CT abdomen; axial view; 54-year-old male patient
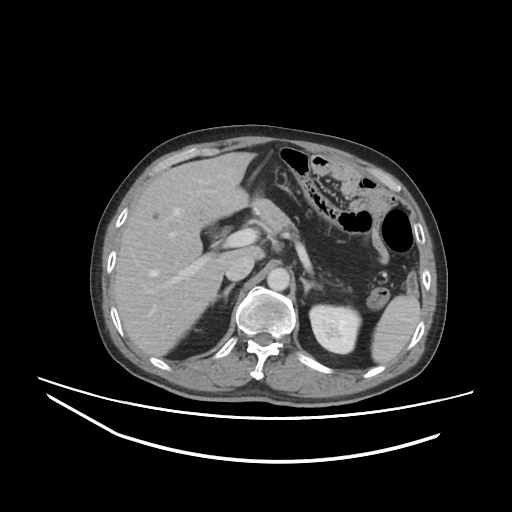

Boxes are (x1, y1, x2, y2) in pixels.
inferior vena cava: (225, 254, 254, 280)
aorta: (267, 268, 289, 291)
left kidney: (309, 304, 361, 353)
liver: (112, 152, 269, 356)
spleen: (371, 295, 420, 363)
right adrenal gland: (212, 283, 234, 303)
pancreas: (259, 202, 295, 232)
left adrenal gland: (300, 273, 321, 293)